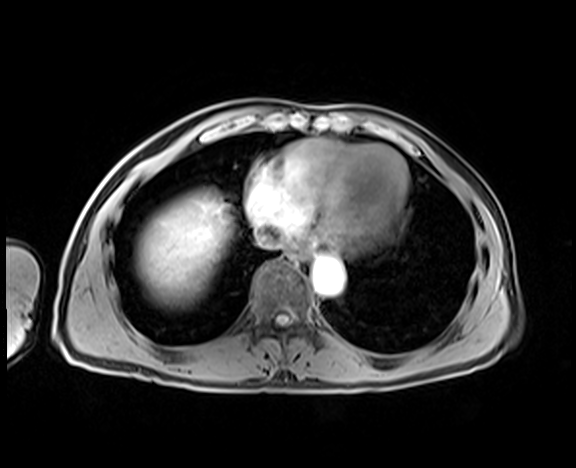 Abdominal MR. axial plane, index 60
Boxes are (x1, y1, x2, y2) in pixels.
esophagus: (284, 248, 309, 263)
liver: (134, 188, 234, 310)
aorta: (313, 257, 343, 295)
inferior vena cava: (255, 225, 284, 248)